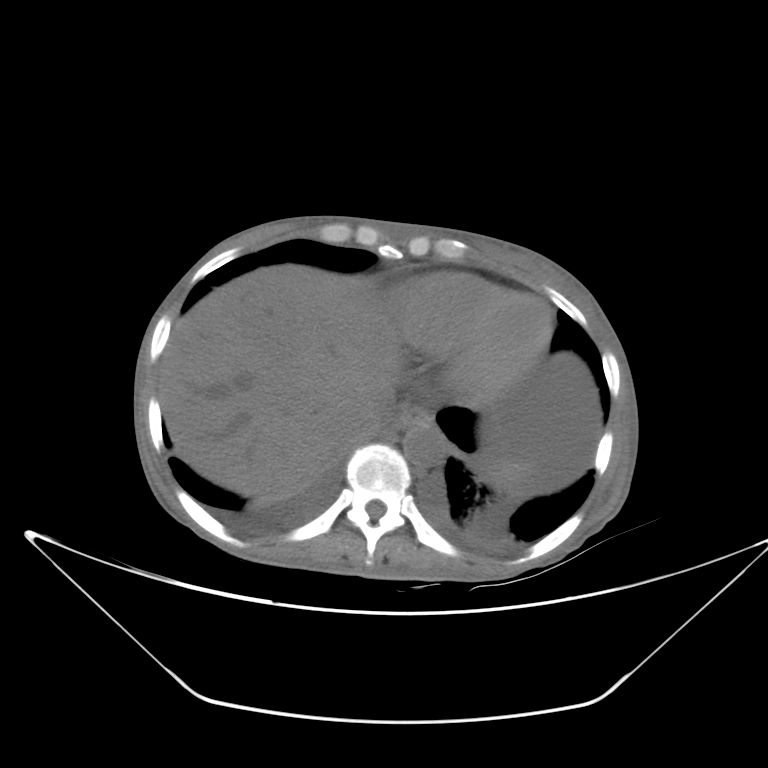
CT, abdomen/pelvis; Axial slice 93/105; soft-tissue window (W 400 / L 40)
Box edges are left/top/right/bottom in pixels.
Organ bounding boxes:
- spleen: left=476, top=459, right=528, bottom=487
- esophagus: left=388, top=404, right=432, bottom=433
- liver: left=159, top=264, right=402, bottom=499
- aorta: left=403, top=423, right=446, bottom=466
- inferior vena cava: left=326, top=384, right=395, bottom=442